CT, abdomen/pelvis · axial view · soft-tissue window (W 400 / L 40)
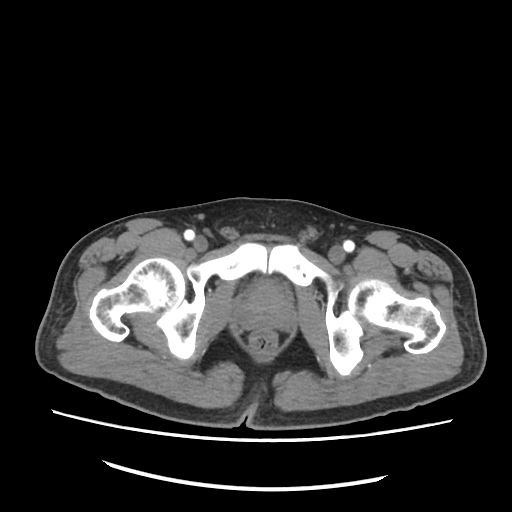 One row per box, in pixels: columns x1 and y1 give the top-left corner, x2 and y2 the bottom-right.
| organ | x1 | y1 | x2 | y2 |
|---|---|---|---|---|
| prostate/uterus | 238 | 286 | 287 | 327 |